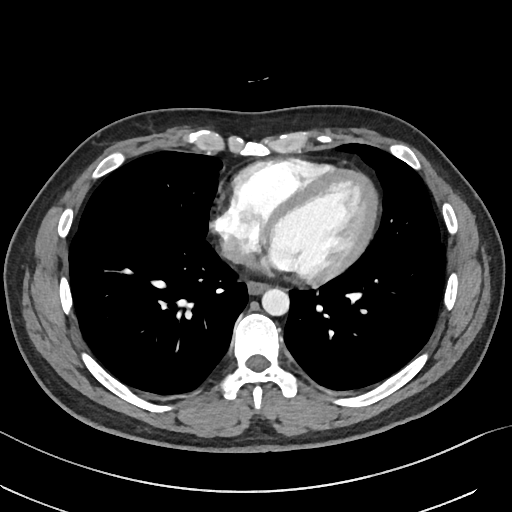 CT of the abdomen reaching into the lower chest, slice just above the liver and spleen — Axial slice 216/307
The heart and lungs are never labeled in this dataset, so they have no box on this slice.
Boxes: x1 y1 x2 y2 (pixel coords, space-separated).
esophagus: 247 281 268 294
aorta: 262 288 289 315
inferior vena cava: 220 239 254 267